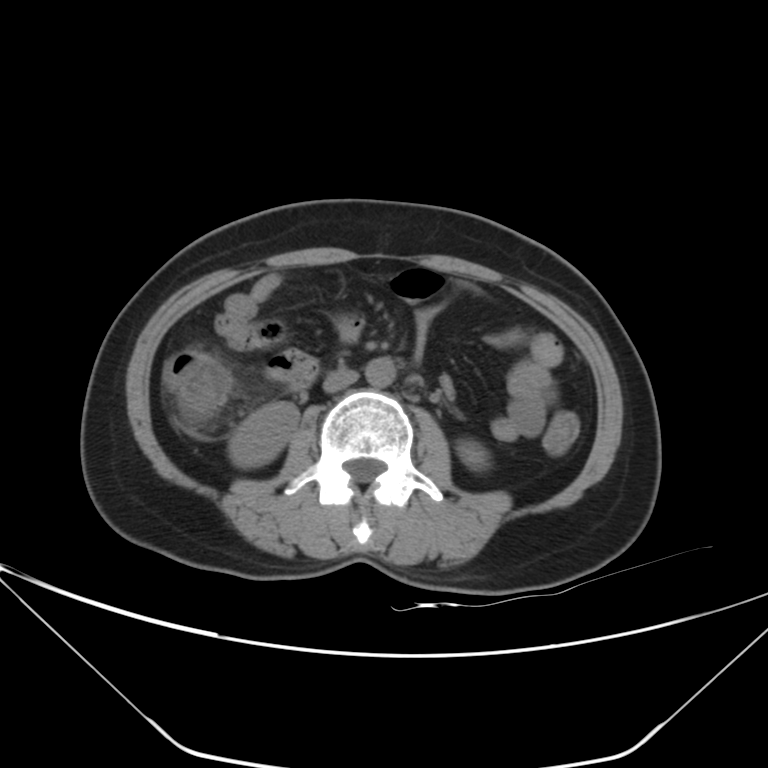
CT abdomen; axial plane, index 46; 768x768 px; acquired on Brilliance16
Bounding boxes in pixels, one row per box: x1, y1 is the top-left corner and x2, y2 the bottom-right.
| organ | x1 | y1 | x2 | y2 |
|---|---|---|---|---|
| right kidney | 228 | 401 | 298 | 468 |
| left kidney | 456 | 439 | 486 | 466 |
| aorta | 365 | 357 | 396 | 386 |
| inferior vena cava | 323 | 370 | 358 | 392 |